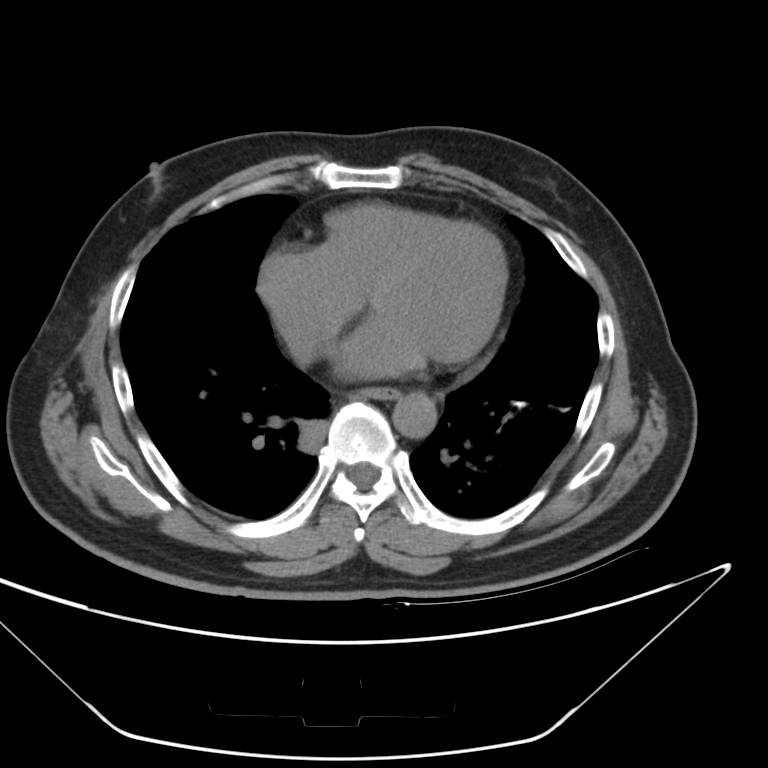
CT of the abdomen reaching into the lower chest, slice just above the liver and spleen; Axial slice 100/103; soft-tissue window (W 400 / L 40); 50-year-old male patient
No part of the heart or lungs is labeled in this dataset, so neither has a box here. Boxes: x1:y1:x2:y2 in pixels. 2 labeled organs on this slice — esophagus at 354:388:403:401; aorta at 392:391:437:438.